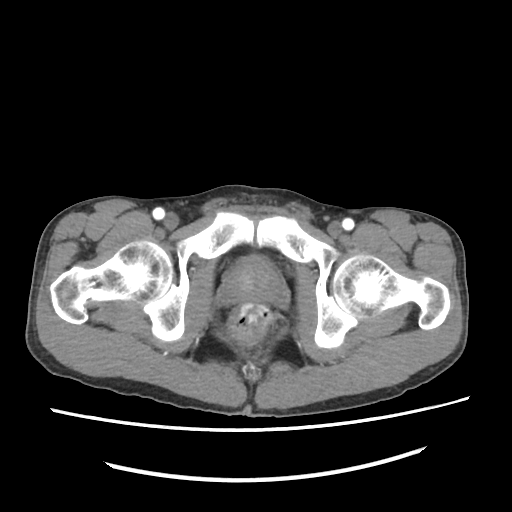 CT, abdomen/pelvis · Axial slice 18/86 · 512x512 px · 55-year-old male patient · acquired on Aquilion ONE
<organs><organ name="prostate/uterus" x1="223" y1="257" x2="282" y2="304"/></organs>